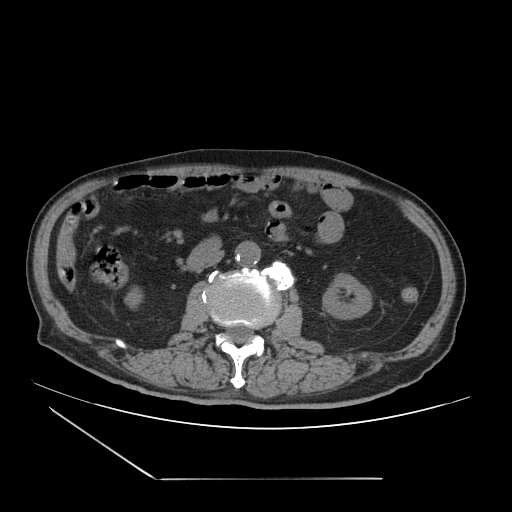
CT abdomen; axial plane, index 109; soft-tissue window
Bounding boxes as [x1, y1, x2, y2] in pixel coordinates.
right kidney: [125, 284, 143, 308]
left kidney: [322, 273, 373, 317]
aorta: [236, 242, 260, 267]
inferior vena cava: [204, 251, 223, 267]
duodenum: [185, 236, 221, 270]